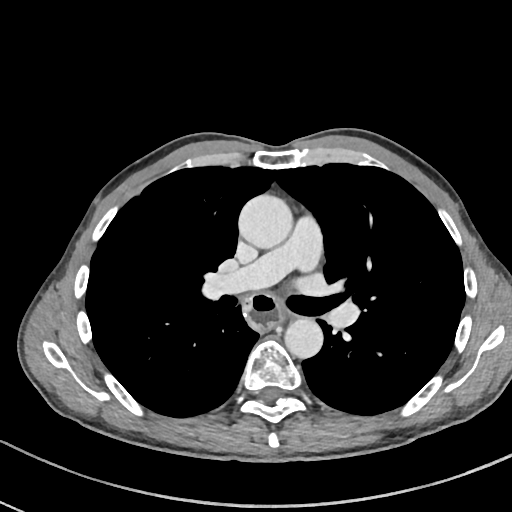 Chest-level CT slice, above the liver and spleen; axial view; 15 organs annotated in this scan (a whole-scan count: organs this slice does not pass through have no box)
At this level of the chest this dataset labels only the esophagus and the aorta, and each is boxed only where it is labeled; the heart and lungs are never labeled.
Organ boxes in pixel coordinates; each row gives the top-left (x1, y1) and bottom-right (x2, y2) corners.
| organ | x1 | y1 | x2 | y2 |
|---|---|---|---|---|
| esophagus | 243 | 292 | 282 | 328 |
| aorta | 238 | 194 | 292 | 248 |
| aorta | 284 | 317 | 323 | 358 |